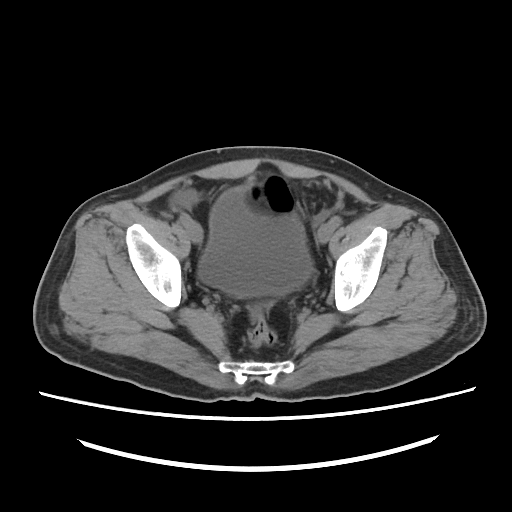
CT abdomen · axial view · abdomen soft-tissue window
<organs><organ name="bladder" x1="198" y1="189" x2="312" y2="297"/></organs>